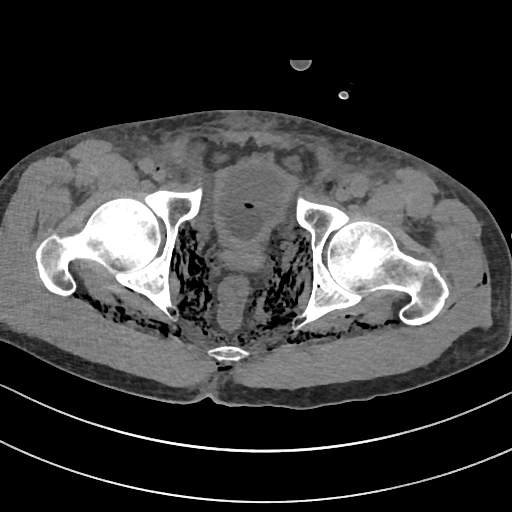 Abdominal CT · Axial slice 39/252 · soft-tissue window
<organs><organ name="bladder" x1="213" y1="160" x2="295" y2="245"/><organ name="prostate/uterus" x1="235" y1="245" x2="259" y2="257"/></organs>